Abdominal CT. axial plane, index 76. soft-tissue window
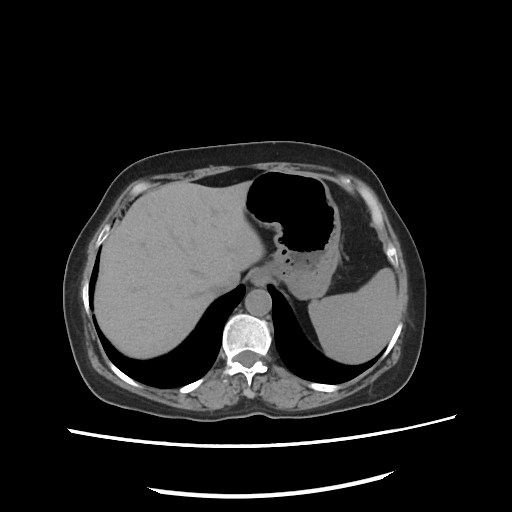

Box edges are left/top/right/bottom in pixels.
Organ bounding boxes:
- spleen: left=308, top=267, right=401, bottom=364
- esophagus: left=249, top=265, right=277, bottom=285
- liver: left=94, top=181, right=263, bottom=358
- stomach: left=245, top=171, right=340, bottom=299
- aorta: left=245, top=288, right=271, bottom=316
- inferior vena cava: left=208, top=279, right=240, bottom=294